CT, abdomen/pelvis; axial view; abdomen soft-tissue window; 512x512 px; scan has 15 labeled organs (counted over the whole 3D scan, not this slice; an organ is boxed only where this slice passes through it)
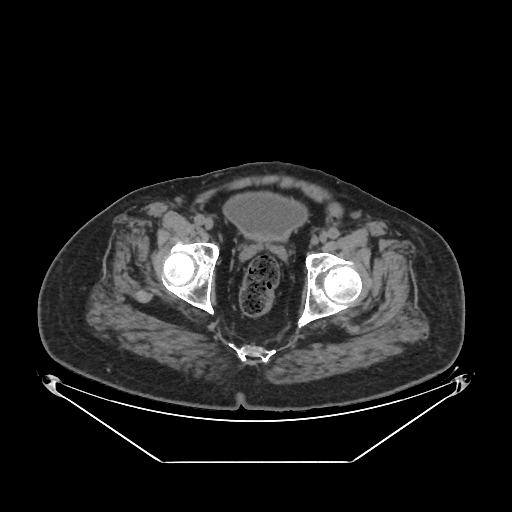

<organs><organ name="bladder" x1="221" y1="192" x2="308" y2="239"/></organs>